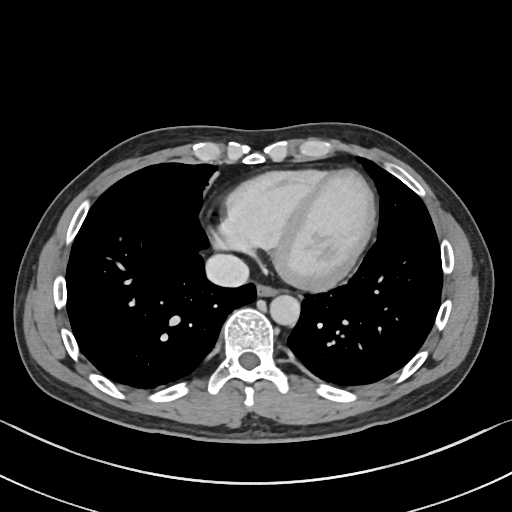 Lower-chest slice from an abdominal CT, just above the liver and spleen — axial view — scan has 15 labeled organs (counted over the whole 3D scan, not this slice; an organ is boxed only where this slice passes through it)
Of the structures in the chest, this dataset labels only the esophagus, the aorta and the inferior vena cava; the heart and lungs have no label.
Coordinates as <box>x1,y1,x2,y2</box> in pixels.
esophagus: <box>257,282,278,295</box>
aorta: <box>270,294,299,324</box>
inferior vena cava: <box>203,253,249,287</box>